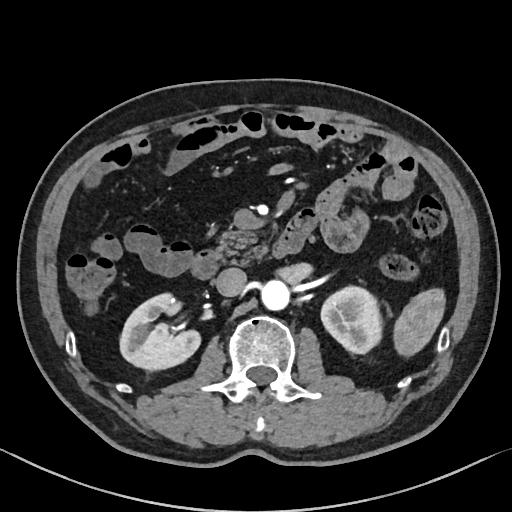

Abdominal CT; Axial slice 137/245
One row per box, in pixels: columns x1 and y1 give the top-left corner, x2 and y2 the bottom-right.
| organ | x1 | y1 | x2 | y2 |
|---|---|---|---|---|
| spleen | 393 | 288 | 445 | 357 |
| right kidney | 119 | 293 | 200 | 370 |
| left kidney | 321 | 286 | 382 | 353 |
| aorta | 261 | 279 | 289 | 310 |
| inferior vena cava | 214 | 268 | 246 | 296 |
| pancreas | 216 | 227 | 262 | 262 |
| duodenum | 191 | 229 | 303 | 279 |